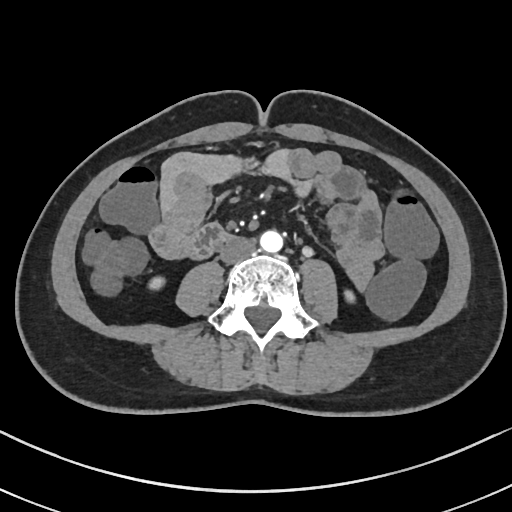
Computed tomography, abdomen — Axial slice 133/242 — abdomen soft-tissue window — acquired on SOMATOM Force
{"organs":{"right kidney":[148,277,164,289],"inferior vena cava":[219,236,255,264],"aorta":[260,230,283,253],"left kidney":[341,289,356,304],"duodenum":[186,224,234,259]}}